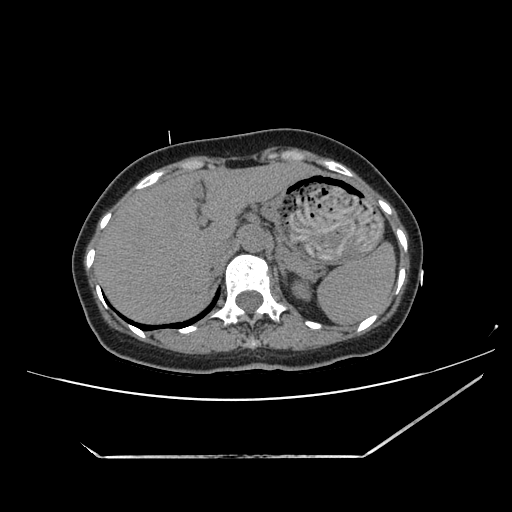

Abdominal CT. Axial slice 116/143. 14 organs annotated in this scan (counted over the whole 3D scan, not this slice; an organ is boxed only where this slice passes through it)
Boxes: x1:y1:x2:y2 in pixels. Labeled organs on this slice: spleen at 317:240:395:325, left kidney at 292:281:309:298, liver at 96:162:319:325, stomach at 262:172:383:263, aorta at 240:226:270:253, inferior vena cava at 204:239:232:264, pancreas at 285:254:314:277, left adrenal gland at 276:257:292:279.